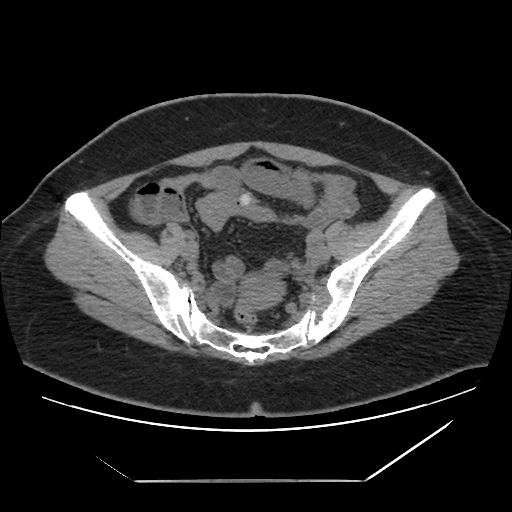 Computed tomography, abdomen. axial view. soft-tissue window (W 400 / L 40)
{"organs":{"prostate/uterus":[237,274,285,309]}}